Abdominal CT — axial view — 15 organs annotated in this scan (counted over the whole 3D scan, not this slice; an organ is boxed only where this slice passes through it)
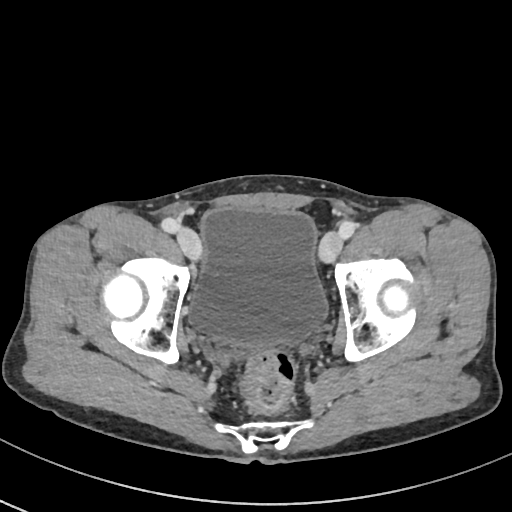

Boxes: x1 y1 x2 y2 (pixel coords, space-separated). The annotated organs in this slice are: bladder at 190 207 325 343.